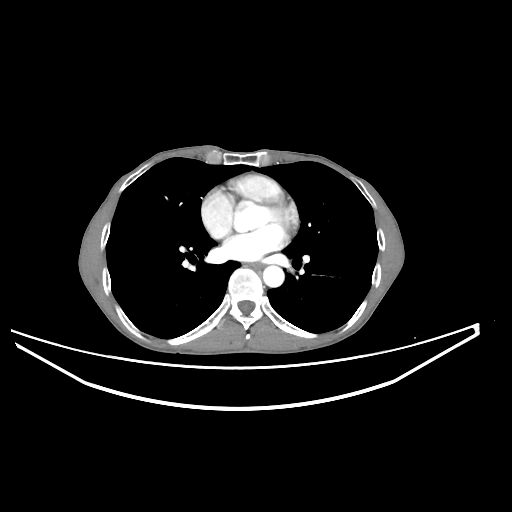
CT of the abdomen extending into the chest, slice through the chest — axial view — soft-tissue window, W/L 400/40 — acquired on Aquilion ONE
At this level of the chest no structure but the esophagus and the aorta has a label in this dataset, and those two are boxed only where they are labeled.
Organ boxes in pixel coordinates; each row gives the top-left (x1, y1) and bottom-right (x2, y2) corners.
| organ | x1 | y1 | x2 | y2 |
|---|---|---|---|---|
| esophagus | 248 | 263 | 261 | 268 |
| aorta | 263 | 265 | 284 | 287 |